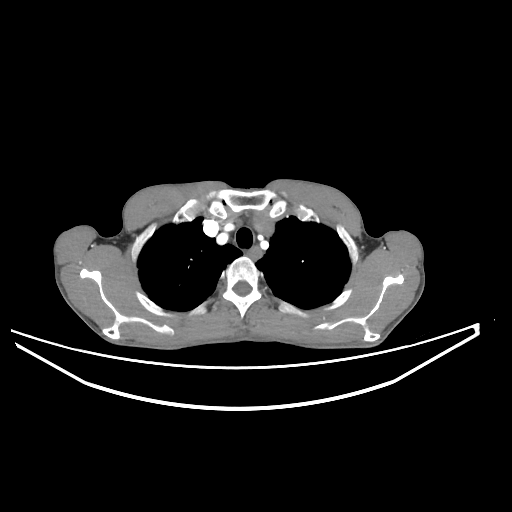 CT of the abdomen extending into the chest, slice through the chest. axial plane, index 121. soft-tissue window, W/L 400/40. 512x512 px. 15 organs annotated in this scan (counted over the whole 3D scan, not this slice; an organ is boxed only where this slice passes through it)
At this level of the chest this dataset labels only the esophagus and the aorta, and each is boxed only where it is labeled; the heart and lungs are never labeled.
<organs><organ name="esophagus" x1="249" y1="246" x2="261" y2="258"/></organs>